Abdominal CT · Axial slice 124/251 · abdomen soft-tissue window · scan has 15 labeled organs (that count is for the whole scan; organs this slice misses have no box)
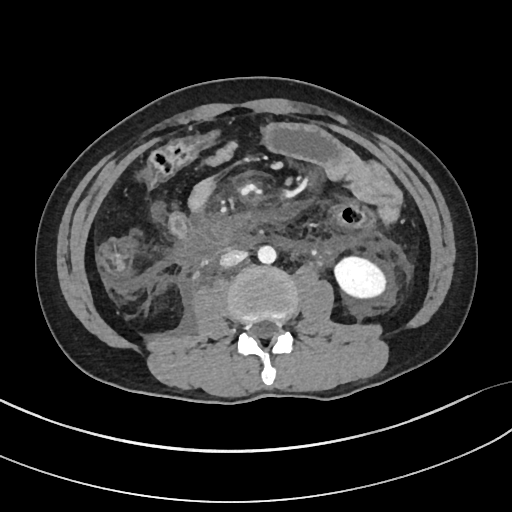
Boxes are (x1, y1, x2, y2) in pixels.
Organ bounding boxes:
- left kidney: (333, 255, 388, 299)
- aorta: (257, 246, 276, 264)
- inferior vena cava: (220, 249, 247, 267)
- duodenum: (183, 225, 230, 251)